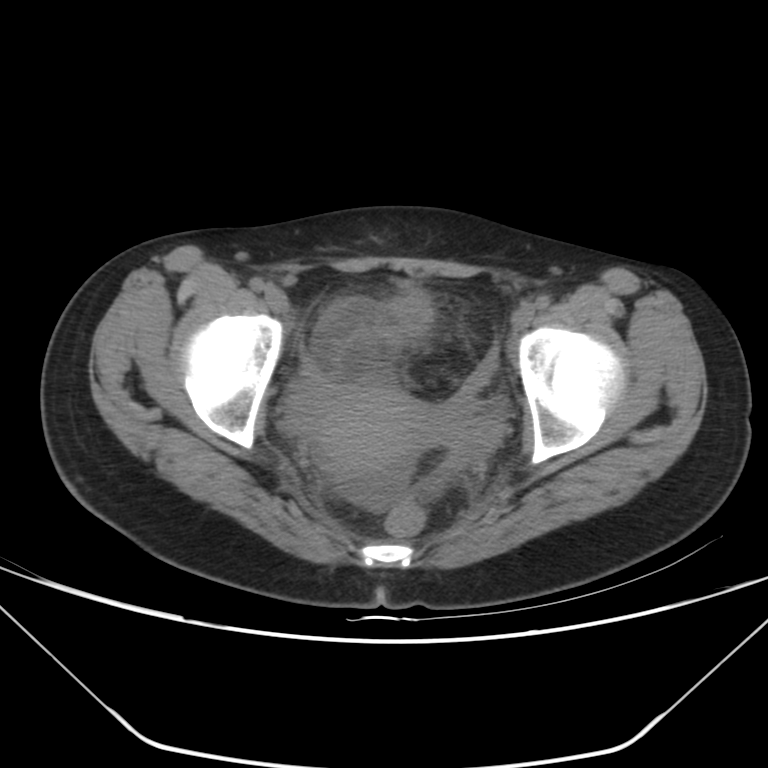 Computed tomography, abdomen · axial view · scan has 15 labeled organs (that count is for the whole scan; organs this slice misses have no box)
Boxes: x1:y1:x2:y2 in pixels. The annotated organs in this slice are: bladder at 392:293:432:334, prostate/uterus at 304:386:427:479.